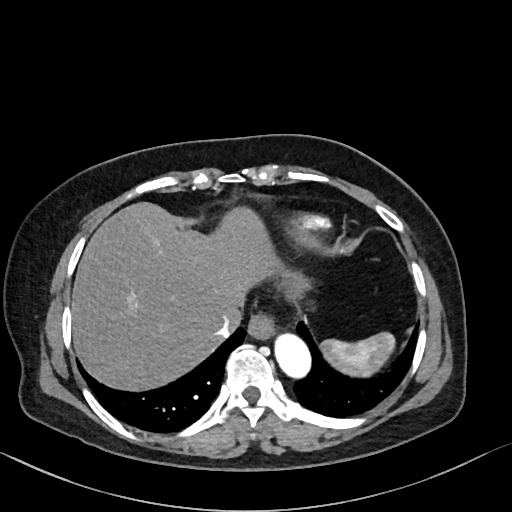 Computed tomography, abdomen. axial view
Bounding boxes as [x1, y1, x2, y2] in pixel coordinates. Labeled organs on this slice: esophagus at [248, 314, 275, 337], liver at [71, 201, 305, 391], inferior vena cava at [212, 311, 240, 339], spleen at [320, 332, 394, 376], aorta at [273, 331, 310, 377].